Abdominal MRI. axial view. 576x468 px. 13 organs annotated in this scan (a whole-scan count: organs this slice does not pass through have no box)
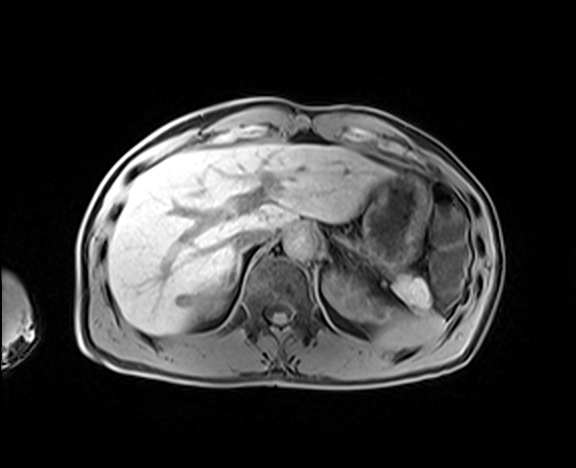

{"organs":{"pancreas":[391,274,433,310],"left kidney":[323,273,381,321],"spleen":[376,309,444,350],"aorta":[283,228,317,258],"inferior vena cava":[231,227,269,250],"right adrenal gland":[225,251,242,289],"liver":[107,144,391,334],"stomach":[362,173,430,268],"right kidney":[197,289,225,315]}}